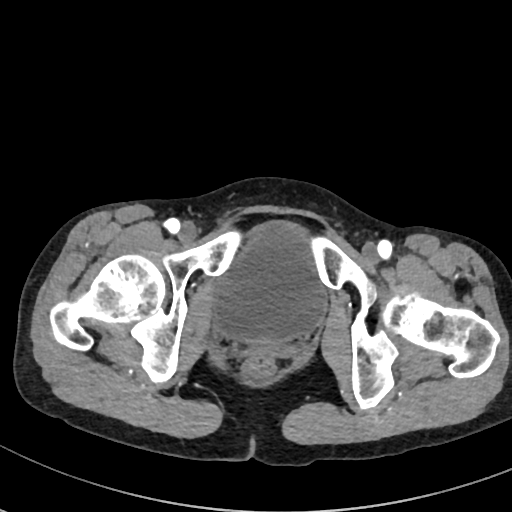 Computed tomography, abdomen · axial view · soft-tissue window
Bounding boxes in pixels, one row per box: x1, y1 is the top-left corner and x2, y2 the bottom-right.
| organ | x1 | y1 | x2 | y2 |
|---|---|---|---|---|
| bladder | 214 | 222 | 326 | 340 |